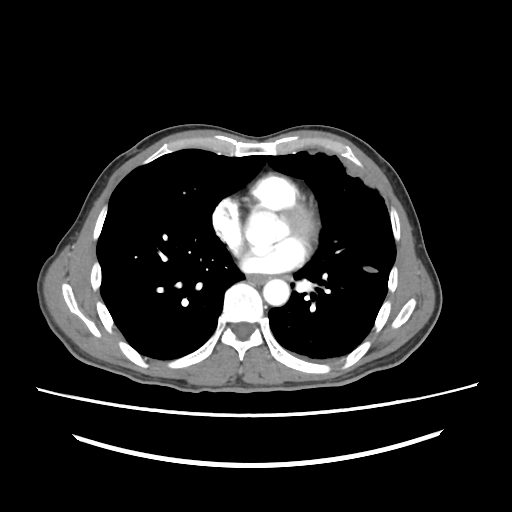 CT of the abdomen reaching into the lower chest, slice just above the liver and spleen · axial view · W/L 400/40 HU · Aquilion ONE scanner
Of the structures in the chest, this dataset labels only the esophagus, the aorta and the inferior vena cava; the heart and lungs have no label.
Boxes: x1 y1 x2 y2 (pixel coords, space-separated).
esophagus: 247 273 267 283
aorta: 262 278 290 304